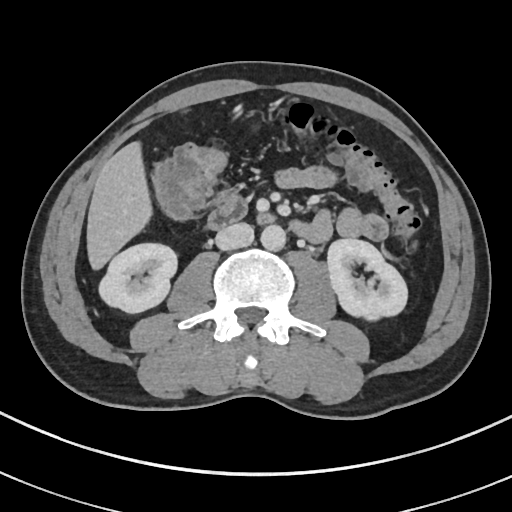 CT, abdomen/pelvis; Axial slice 110/298
Box edges are left/top/right/bottom in pixels.
right kidney: left=100, top=244, right=176, bottom=312
left kidney: left=328, top=238, right=407, bottom=323
liver: left=87, top=143, right=152, bottom=268
aorta: left=261, top=223, right=286, bottom=250
inferior vena cava: left=215, top=222, right=254, bottom=250
duodenum: left=208, top=196, right=310, bottom=236